Abdominal CT reaching into the chest; this slice is in the chest · axial view
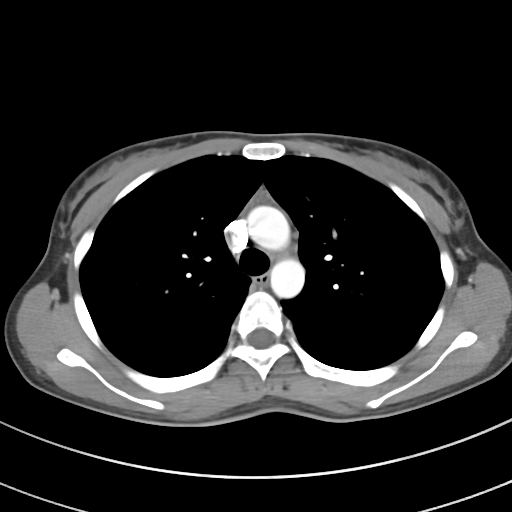
At this level of the chest no structure but the esophagus and the aorta has a label in this dataset, and those two are boxed only where they are labeled. Coordinates as <box>x1,y1,x2,y2</box> in pixels. Labeled organs on this slice: esophagus at <box>253,274,267,286</box>, aorta at <box>248,205,290,251</box>, aorta at <box>269,258,304,298</box>.